CT, abdomen/pelvis · axial plane, index 46 · abdomen soft-tissue window · 512x512 px
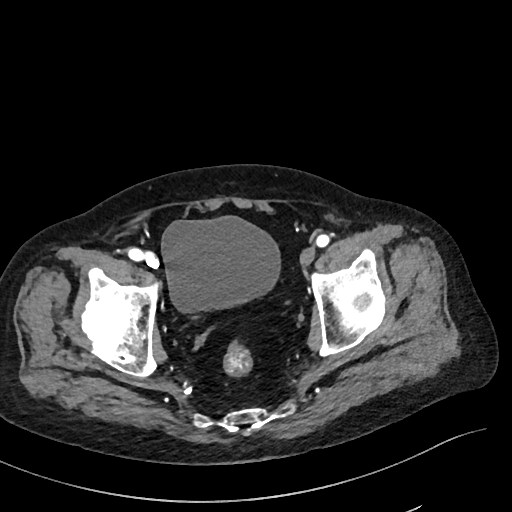

Box edges are left/top/right/bottom in pixels.
bladder: left=161, top=216, right=280, bottom=312